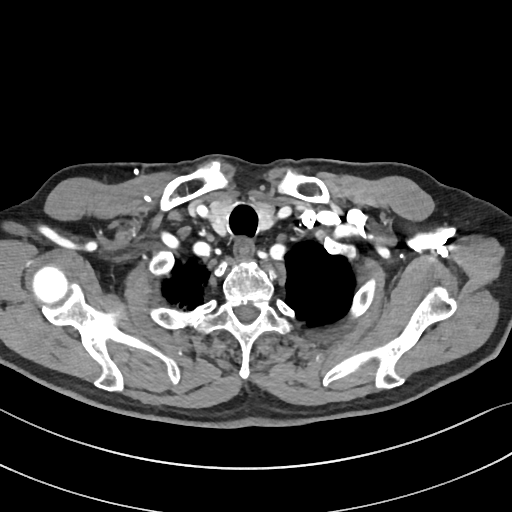

Chest-level CT slice, above the liver and spleen; axial view; 512x512 px; SOMATOM Force scanner
At this level of the chest this dataset labels only the esophagus and the aorta, and each is boxed only where it is labeled; the heart and lungs are never labeled.
{"organs":{"esophagus":[233,240,254,258]}}